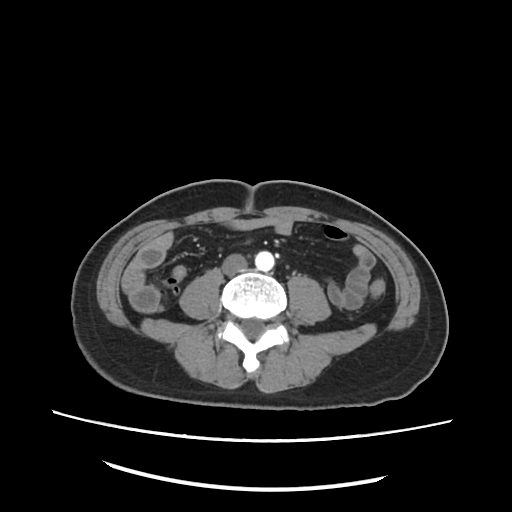 Abdominal CT. axial view. abdomen soft-tissue window. 512x512 px. scan has 15 labeled organs (that count is for the whole scan; organs this slice misses have no box)
One row per box, in pixels: columns x1 and y1 give the top-left corner, x2 and y2 the bottom-right.
| organ | x1 | y1 | x2 | y2 |
|---|---|---|---|---|
| aorta | 254 | 250 | 276 | 270 |
| inferior vena cava | 222 | 252 | 248 | 277 |